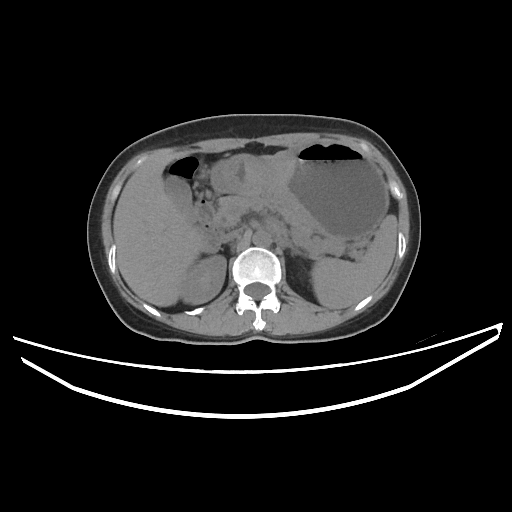 Abdominal CT; axial view; 50-year-old female patient
{"organs":{"spleen":[311,215,397,309],"right kidney":[181,255,226,304],"gall bladder":[165,176,195,222],"liver":[113,151,201,306],"stomach":[211,141,388,240],"aorta":[252,229,271,246],"inferior vena cava":[222,229,241,242],"pancreas":[216,195,344,252],"left adrenal gland":[289,243,305,256],"duodenum":[194,199,222,252]}}